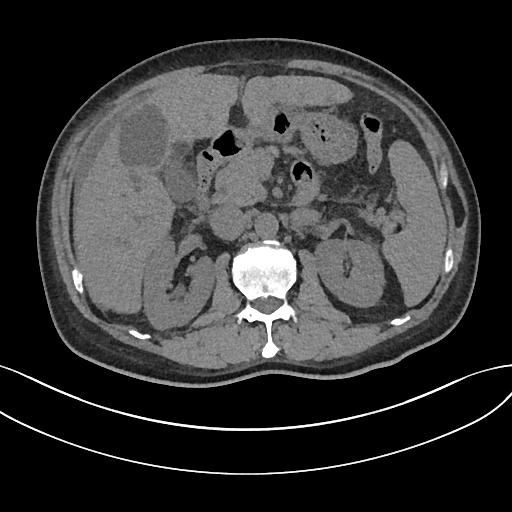 CT abdomen · axial view
Each box given as x1,y1,x2,y2. Labeled organs on this slice: spleen at x1=381, y1=142, x2=447, y2=306, right kidney at x1=144, y1=240, x2=214, y2=329, left kidney at x1=315, y1=239, x2=382, y2=307, gall bladder at x1=165, y1=162, x2=196, y2=202, liver at x1=73, y1=73, x2=353, y2=314, stomach at x1=245, y1=108, x2=360, y2=165, aorta at x1=255, y1=214, x2=278, y2=239, inferior vena cava at x1=207, y1=205, x2=247, y2=240, pancreas at x1=215, y1=145, x2=394, y2=234, duodenum at x1=197, y1=130, x2=312, y2=205.